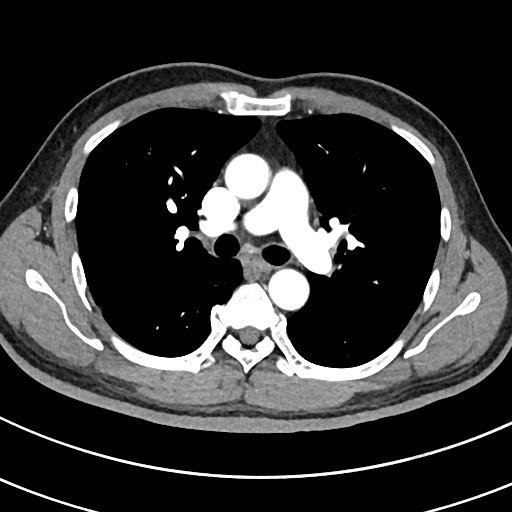

CT of the abdomen extending into the chest, slice through the chest · axial plane, index 242 · 15 organs annotated in this scan (that count is for the whole scan; organs this slice misses have no box)
At this level of the chest no structure but the esophagus and the aorta has a label in this dataset, and those two are boxed only where they are labeled.
Organ boxes in pixel coordinates; each row gives the top-left (x1, y1) and bottom-right (x2, y2) corners.
| organ | x1 | y1 | x2 | y2 |
|---|---|---|---|---|
| aorta | 224 | 154 | 270 | 199 |
| aorta | 268 | 268 | 309 | 309 |
| esophagus | 245 | 257 | 270 | 274 |